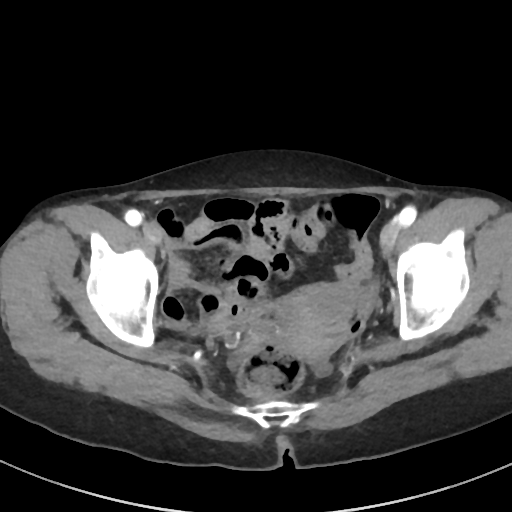
Computed tomography, abdomen — axial plane, index 10 — scan has 15 labeled organs (counted over the whole 3D scan, not this slice; an organ is boxed only where this slice passes through it)
Boxes: x1:y1:x2:y2 in pixels.
prostate/uterus: 283:284:351:358